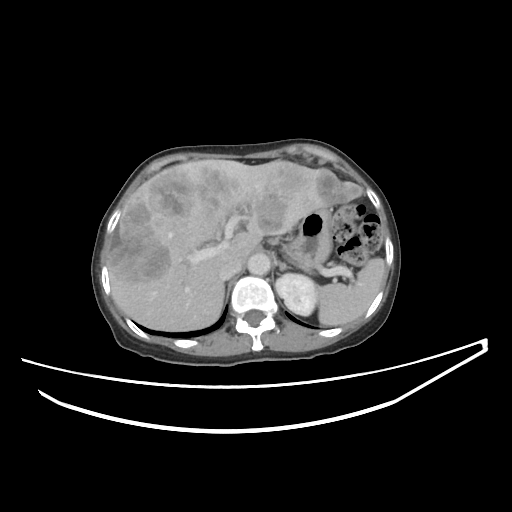

Computed tomography, abdomen; axial view; 62-year-old female patient
<organs><organ name="aorta" x1="247" y1="253" x2="270" y2="275"/><organ name="spleen" x1="317" y1="258" x2="384" y2="325"/><organ name="liver" x1="108" y1="160" x2="359" y2="331"/><organ name="stomach" x1="283" y1="207" x2="332" y2="268"/><organ name="left kidney" x1="275" y1="273" x2="317" y2="315"/><organ name="left adrenal gland" x1="278" y1="262" x2="288" y2="270"/><organ name="inferior vena cava" x1="218" y1="258" x2="242" y2="280"/></organs>